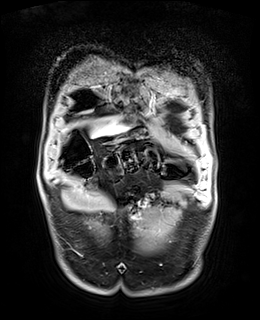 Abdominal MR — coronal view — 260x320 px — Prisma scanner
Box edges are left/top/right/bottom in pixels.
Organ bounding boxes:
- liver: left=91, top=124, right=126, bottom=136
- stomach: left=112, top=132, right=130, bottom=138